Computed tomography, abdomen; Axial slice 273/353; W/L 400/40 HU; 512x512 px
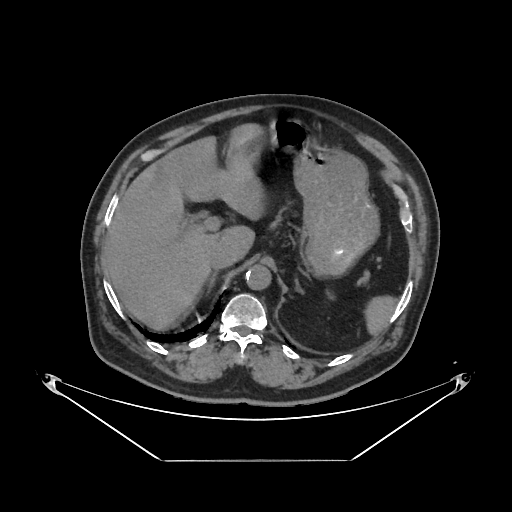
<organs><organ name="spleen" x1="367" y1="298" x2="396" y2="332"/><organ name="left kidney" x1="324" y1="288" x2="338" y2="301"/><organ name="liver" x1="105" y1="125" x2="260" y2="330"/><organ name="stomach" x1="250" y1="118" x2="378" y2="274"/><organ name="aorta" x1="245" y1="265" x2="271" y2="290"/><organ name="inferior vena cava" x1="209" y1="249" x2="236" y2="268"/><organ name="right adrenal gland" x1="210" y1="271" x2="218" y2="287"/><organ name="left adrenal gland" x1="293" y1="273" x2="297" y2="288"/></organs>